CT of the abdomen extending into the chest, slice through the chest; axial plane, index 97; soft-tissue window (W 400 / L 40)
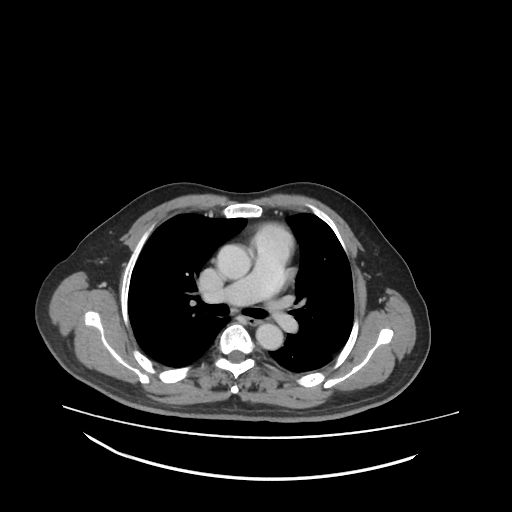 At this level of the chest no structure but the esophagus and the aorta has a label in this dataset, and those two are boxed only where they are labeled.
{"organs":{"esophagus":[244,315,261,323],"aorta":[[217,245,250,278],[255,324,281,348]]}}